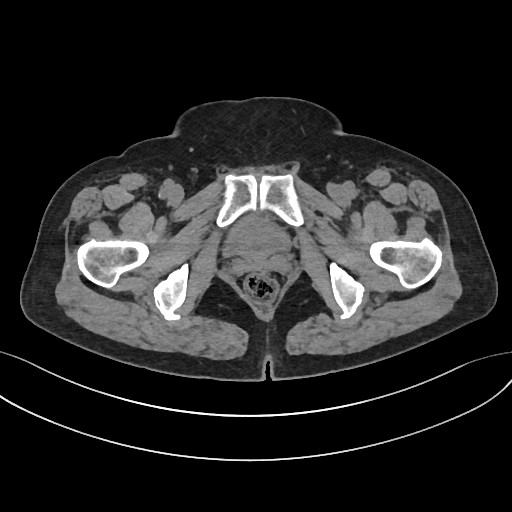
Abdominal CT; axial view; abdomen soft-tissue window; scan has 15 labeled organs (that count is for the whole scan; organs this slice misses have no box)
{"organs":{"bladder":[222,215,292,256]}}